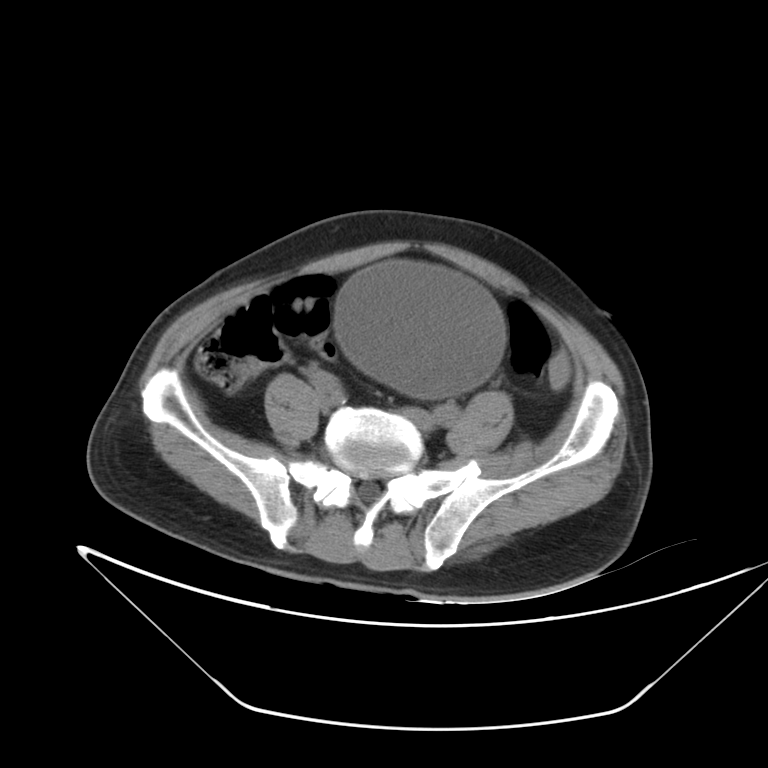
Computed tomography, abdomen; axial view; 47-year-old male patient
{"organs":{"bladder":[332,261,506,401]}}